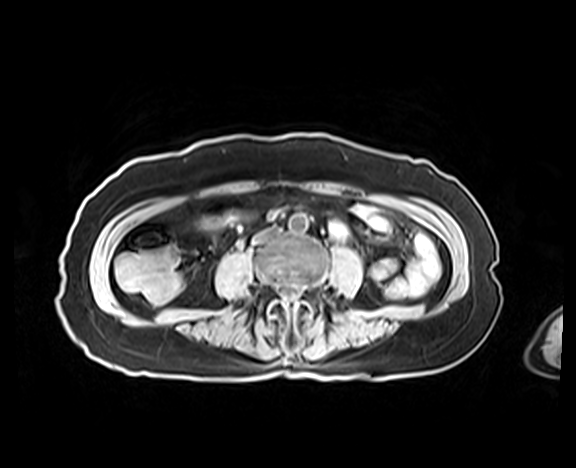 Abdominal MRI · axial view · 576x468 px · scan has 12 labeled organs (counted over the whole 3D scan, not this slice; an organ is boxed only where this slice passes through it)
Box edges are left/top/right/bottom in pixels.
aorta: left=288, top=212, right=308, bottom=233
inferior vena cava: left=251, top=226, right=279, bottom=244